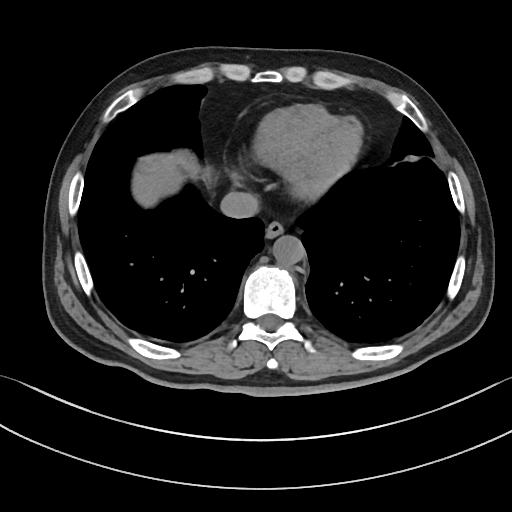 CT abdomen. Axial slice 213/231
{"organs":{"esophagus":[265,220,284,238],"liver":[142,171,181,204],"aorta":[272,235,304,266],"inferior vena cava":[220,191,258,218]}}